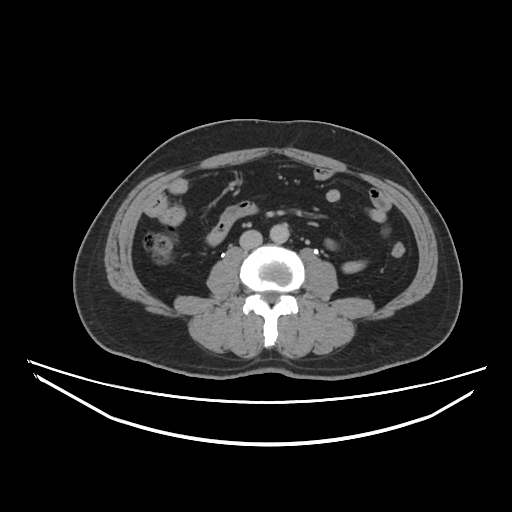
Abdominal CT · axial view · W/L 400/40 HU · 512x512 px
Each box given as x1,y1,x2,y2.
aorta: x1=270, y1=223, x2=290, y2=243
inferior vena cava: x1=239, y1=229, x2=261, y2=249